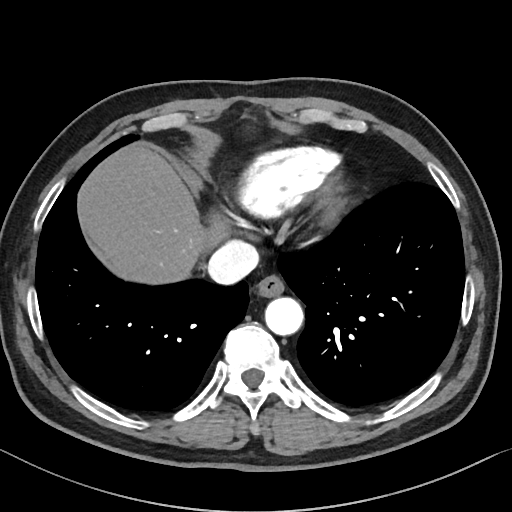

CT, abdomen/pelvis; axial plane, index 198; acquired on SOMATOM Force; scan has 15 labeled organs (counted over the whole 3D scan, not this slice; an organ is boxed only where this slice passes through it)
Boxes: x1 y1 x2 y2 (pixel coords, space-separated).
esophagus: 255 275 284 297
liver: 77 146 226 284
aorta: 265 297 303 335
inferior vena cava: 207 240 259 284